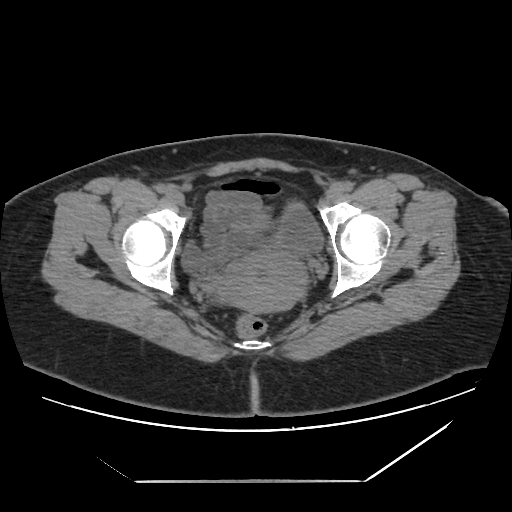
CT abdomen; Axial slice 38/345; soft-tissue window (W 400 / L 40); scan has 15 labeled organs (that count is for the whole scan; organs this slice misses have no box)
Box edges are left/top/right/bottom in pixels.
bladder: left=184, top=205, right=323, bottom=270
prostate/uterus: left=218, top=251, right=304, bottom=313